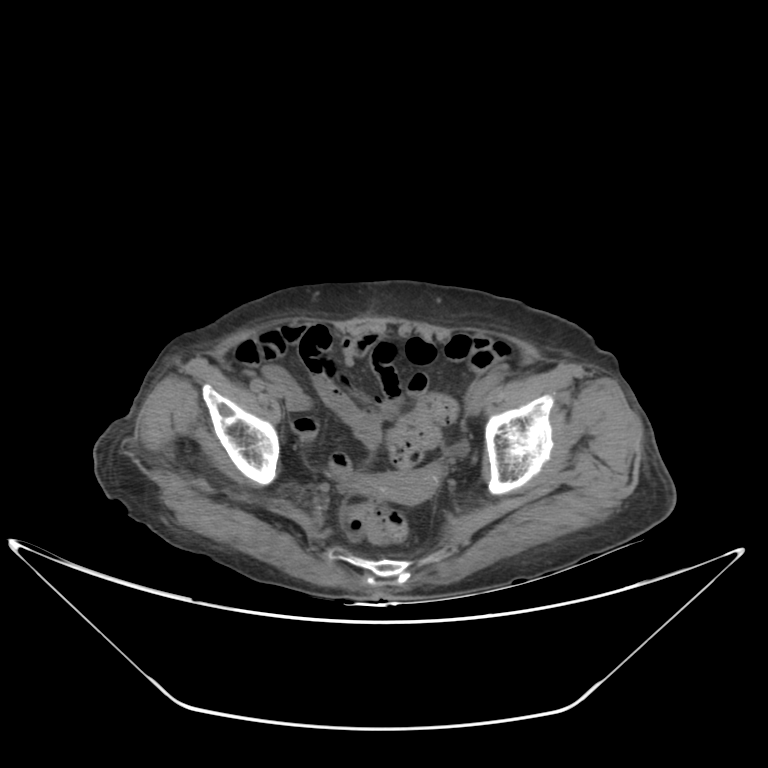
CT abdomen — axial view — acquired on Brilliance16
Box edges are left/top/right/bottom in pixels.
prostate/uterus: left=373, top=464, right=440, bottom=503